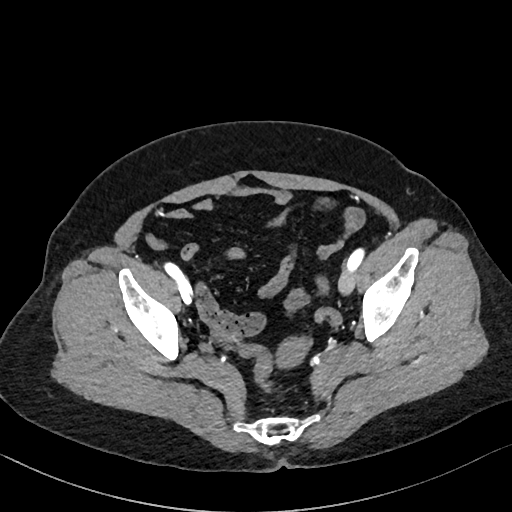

CT abdomen · axial view · soft-tissue window (W 400 / L 40) · acquired on SOMATOM Force
Each box given as x1,y1,x2,y2.
prostate/uterus: x1=277, y1=338, x2=309, y2=366